Chest-level slice from an abdominal CT that extends up into the chest · axial view · acquired on SOMATOM Force
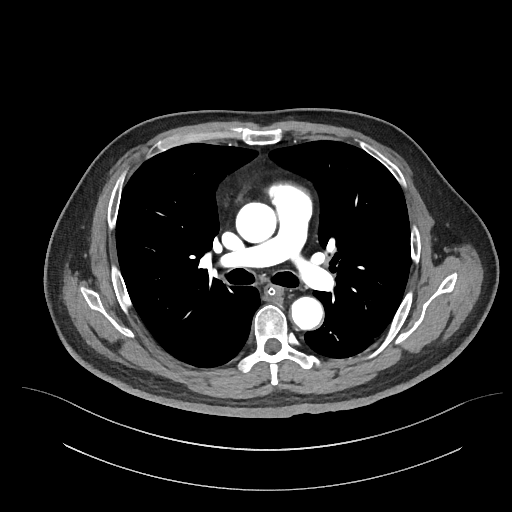 On a slice this high in the chest, this dataset labels only the esophagus and the aorta, and each is boxed only where it is labeled; the heart, lungs and other chest structures are not labeled.
Boxes: x1:y1:x2:y2 in pixels.
esophagus: 265:286:283:298
aorta: 236:202:276:242
aorta: 291:296:323:329